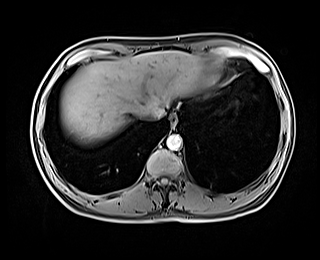

Abdominal MR — axial plane, index 64 — 1st–99th percentile window — 320x260 px
{"organs":{"esophagus":[170,114,177,126],"liver":[61,50,222,143],"aorta":[166,134,182,150],"inferior vena cava":[141,107,164,120]}}